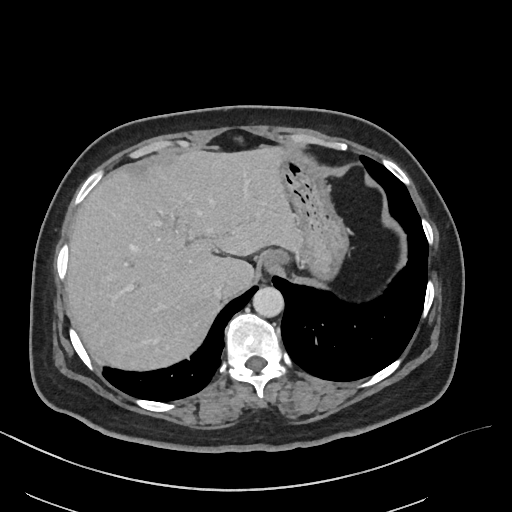 Abdominal CT — axial plane, index 199 — abdomen soft-tissue window — SOMATOM Force scanner — 15 organs annotated in this scan (that count is for the whole scan; organs this slice misses have no box)
Bounding boxes as [x1, y1, x2, y2] in pixel coordinates.
esophagus: [258, 250, 283, 272]
liver: [67, 148, 302, 368]
stomach: [283, 154, 346, 277]
aorta: [252, 287, 283, 317]
inferior vena cava: [213, 283, 223, 297]